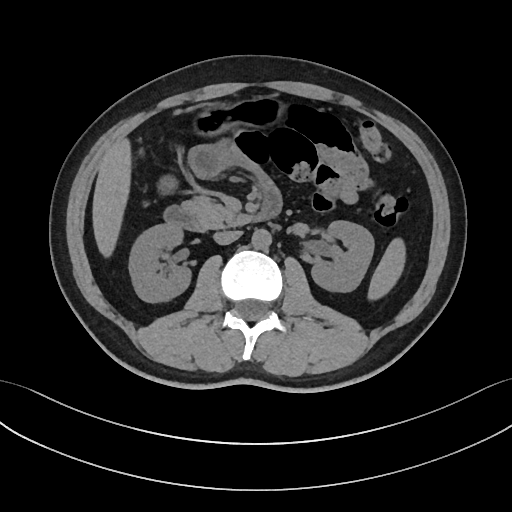 CT abdomen. axial view. soft-tissue window (W 400 / L 40)
{"organs":{"spleen":[368,239,406,299],"right kidney":[128,223,190,302],"left kidney":[312,221,374,291],"liver":[93,138,129,254],"stomach":[196,100,278,132],"aorta":[251,228,271,248],"inferior vena cava":[214,230,242,244],"pancreas":[185,196,247,228],"duodenum":[165,188,282,231]}}